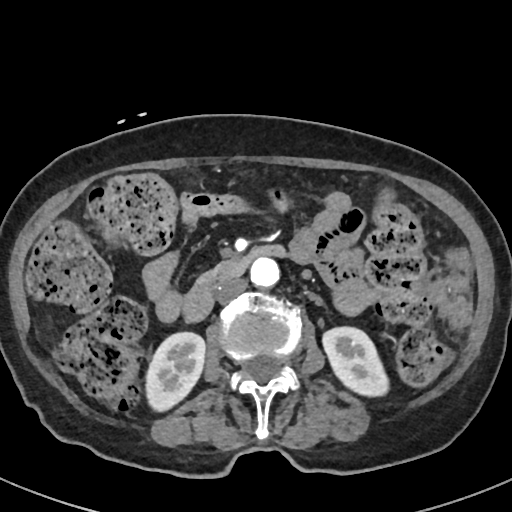 Computed tomography, abdomen. axial view. W/L 400/40 HU
<organs><organ name="aorta" x1="249" y1="259" x2="280" y2="288"/><organ name="right kidney" x1="143" y1="331" x2="205" y2="413"/><organ name="duodenum" x1="180" y1="244" x2="288" y2="324"/><organ name="pancreas" x1="194" y1="268" x2="215" y2="284"/><organ name="inferior vena cava" x1="215" y1="278" x2="247" y2="304"/><organ name="left kidney" x1="321" y1="325" x2="388" y2="397"/></organs>